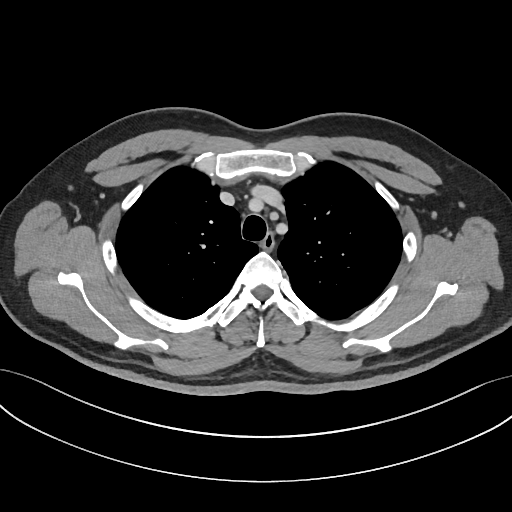
Chest-level slice from an abdominal CT that extends up into the chest · Axial slice 314/345 · soft-tissue window (W 400 / L 40) · scan has 15 labeled organs (a whole-scan count: organs this slice does not pass through have no box)
On a slice this high in the chest, this dataset labels only the esophagus and the aorta, and each is boxed only where it is labeled; the heart, lungs and other chest structures are not labeled.
One row per box, in pixels: columns x1 and y1 give the top-left corner, x2 and y2 the bottom-right.
| organ | x1 | y1 | x2 | y2 |
|---|---|---|---|---|
| esophagus | 260 | 233 | 274 | 250 |